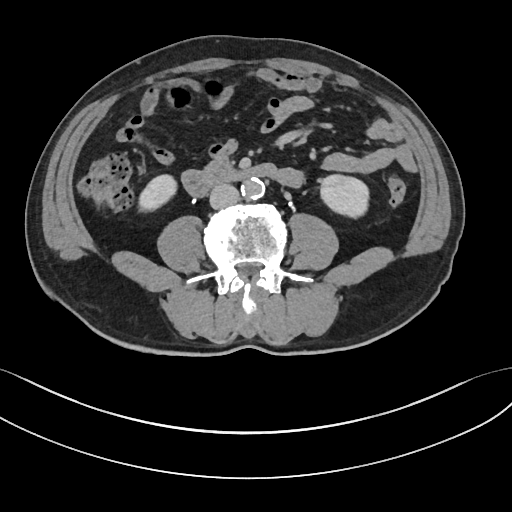 CT abdomen · axial view
<organs><organ name="right kidney" x1="139" y1="173" x2="177" y2="211"/><organ name="left kidney" x1="319" y1="174" x2="369" y2="216"/><organ name="aorta" x1="241" y1="178" x2="265" y2="200"/><organ name="inferior vena cava" x1="209" y1="184" x2="239" y2="208"/><organ name="duodenum" x1="183" y1="162" x2="278" y2="195"/></organs>